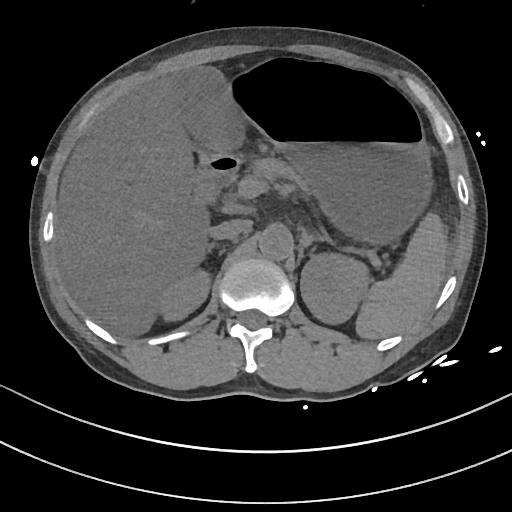 CT abdomen. axial view. abdomen soft-tissue window
Boxes are (x1, y1, x2, y2) in pixels.
Organ bounding boxes:
- left adrenal gland: (296, 229, 330, 260)
- gall bladder: (178, 65, 241, 151)
- left kidney: (300, 253, 369, 324)
- spleen: (355, 212, 447, 339)
- liver: (56, 72, 223, 335)
- right kidney: (158, 269, 210, 320)
- duodenum: (193, 152, 240, 203)
- right adrenal gland: (206, 242, 215, 253)
- aorta: (258, 224, 292, 260)
- pancreas: (251, 157, 307, 191)
- inferior vena cava: (209, 219, 251, 239)
- stomach: (234, 67, 432, 244)